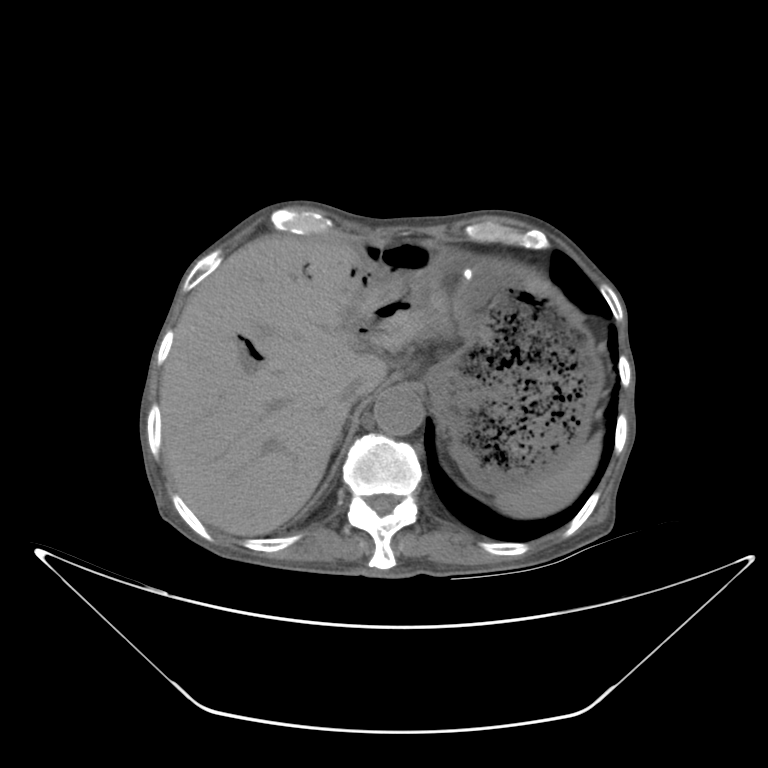

Computed tomography, abdomen — axial view — soft-tissue window — 768x768 px — 13 organs annotated in this scan (that count is for the whole scan; organs this slice misses have no box)
<organs><organ name="inferior vena cava" x1="343" y1="378" x2="364" y2="407"/><organ name="stomach" x1="428" y1="258" x2="600" y2="491"/><organ name="liver" x1="160" y1="233" x2="448" y2="535"/><organ name="aorta" x1="373" y1="387" x2="424" y2="435"/><organ name="spleen" x1="494" y1="430" x2="600" y2="519"/></organs>